Chest-level CT slice, above the liver and spleen — axial view — 66-year-old male patient — Aquilion ONE scanner — 15 organs annotated in this scan (counted over the whole 3D scan, not this slice; an organ is boxed only where this slice passes through it)
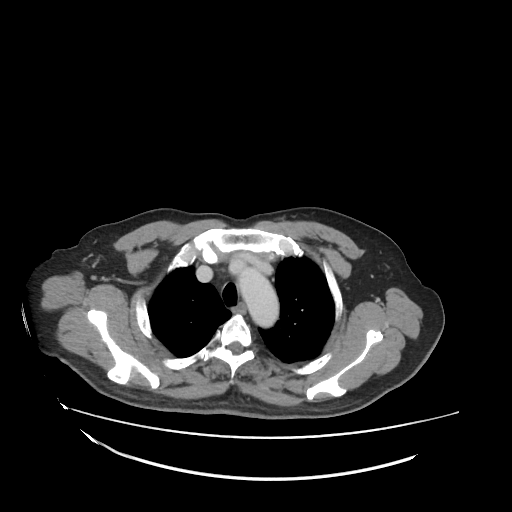
At this level of the chest this dataset labels only the esophagus and the aorta, and each is boxed only where it is labeled; the heart and lungs are never labeled.
Organ boxes in pixel coordinates; each row gives the top-left (x1, y1) and bottom-right (x2, y2) corners.
| organ | x1 | y1 | x2 | y2 |
|---|---|---|---|---|
| esophagus | 235 | 303 | 246 | 312 |
| aorta | 238 | 269 | 277 | 326 |